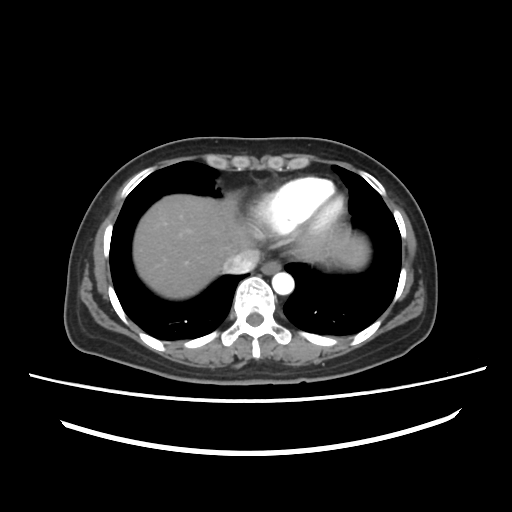

Computed tomography, abdomen. axial view. soft-tissue window (W 400 / L 40). 512x512 px. 45-year-old female patient
Boxes: x1:y1:x2:y2 in pixels.
Organ bounding boxes:
- esophagus: 262:260:281:274
- liver: 133:194:369:299
- aorta: 272:272:294:294
- inferior vena cava: 222:251:259:274